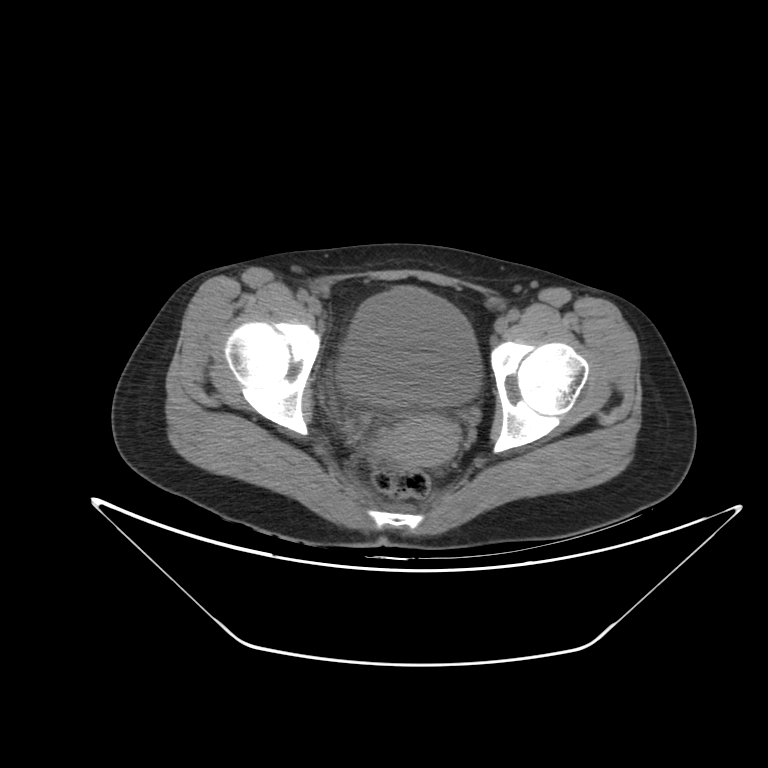 CT abdomen — Axial slice 19/83 — 38-year-old female patient — 15 organs annotated in this scan (that count is for the whole scan; organs this slice misses have no box)
Boxes are (x1, y1, x2, y2) in pixels.
bladder: (338, 287, 480, 406)
prostate/uterus: (380, 419, 457, 465)